Computed tomography, abdomen. axial view. 512x512 px. 15 organs annotated in this scan (counted over the whole 3D scan, not this slice; an organ is boxed only where this slice passes through it)
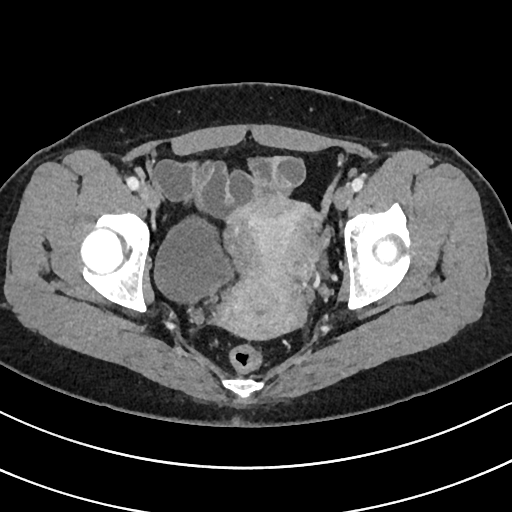

Bounding boxes as [x1, y1, x2, y2] in pixel coordinates. 2 labeled organs on this slice — bladder at [154, 217, 236, 304]; prostate/uterus at [216, 194, 316, 339].